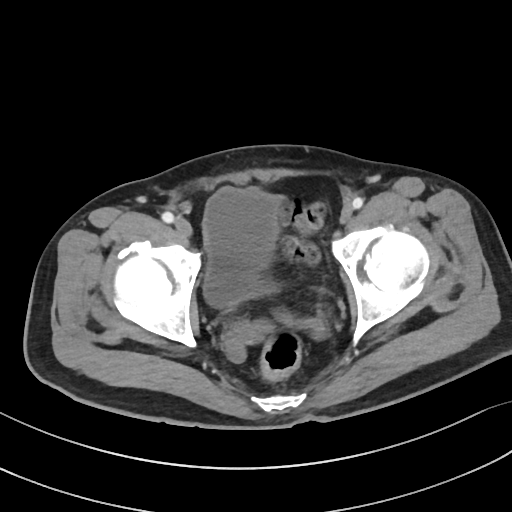

CT abdomen — axial plane, index 14
<organs><organ name="bladder" x1="203" y1="187" x2="280" y2="307"/></organs>